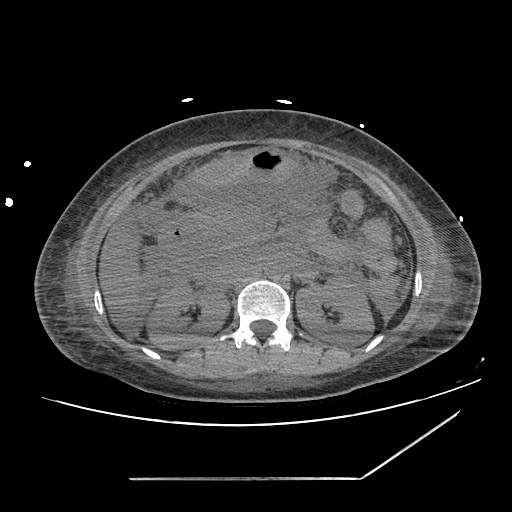
CT, abdomen/pelvis. axial view. 512x512 px. scan has 15 labeled organs (counted over the whole 3D scan, not this slice; an organ is boxed only where this slice passes through it)
Bounding boxes as [x1, y1, x2, y2] in pixel coordinates. The annotated organs in this slice are: right kidney at [149, 285, 229, 350], left kidney at [296, 276, 372, 347], liver at [100, 230, 140, 337], stomach at [190, 149, 297, 226], aorta at [262, 257, 284, 278], inferior vena cava at [215, 254, 252, 284], pancreas at [200, 206, 250, 245], duodenum at [158, 219, 197, 258].